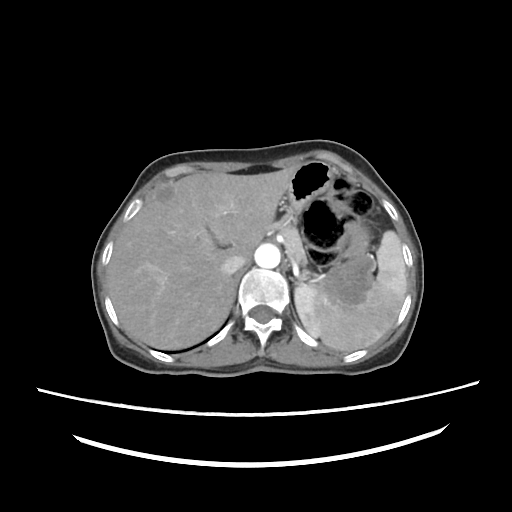

Computed tomography, abdomen — axial view — 58-year-old female patient — Aquilion ONE scanner
Each box given as x1,y1,x2,y2. 6 labeled organs on this slice — spleen at x1=295, y1=230, x2=408, y2=352; liver at x1=107, y1=167, x2=292, y2=348; stomach at x1=287, y1=162, x2=373, y2=306; aorta at x1=255, y1=244, x2=279, y2=268; inferior vena cava at x1=220, y1=254, x2=248, y2=273; pancreas at x1=266, y1=218, x2=308, y2=265.